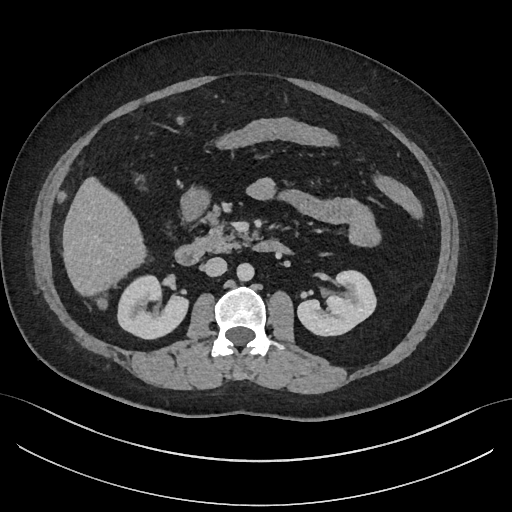

Computed tomography, abdomen — axial view
Coordinates as <box>x1,y1,x2,y2</box> in pixels.
right kidney: <box>118,277,189,339</box>
left kidney: <box>296,271,375,336</box>
gall bladder: <box>134,173,152,189</box>
liver: <box>62,176,145,296</box>
stomach: <box>180,188,210,220</box>
aorta: <box>237,263,254,281</box>
inferior vena cava: <box>202,257,226,276</box>
pancreas: <box>198,207,245,253</box>
duodenum: <box>174,239,292,265</box>